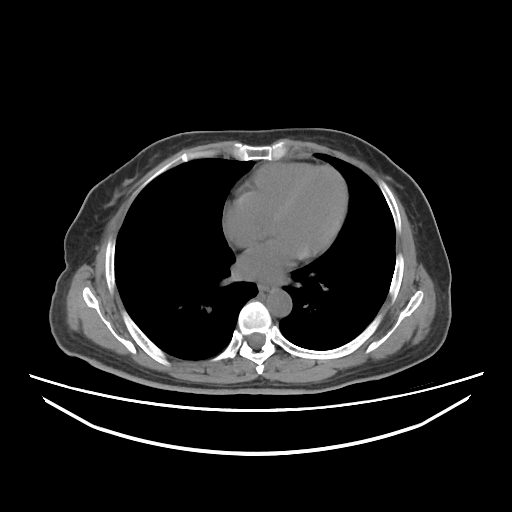 Lower-chest slice from an abdominal CT, just above the liver and spleen. axial view. 49-year-old female patient. acquired on Aquilion ONE. scan has 15 labeled organs (that count is for the whole scan; organs this slice misses have no box)
Of the structures in the chest, this dataset labels only the esophagus, the aorta and the inferior vena cava; the heart and lungs have no label. Boxes: x1:y1:x2:y2 in pixels. The annotated organs in this slice are: esophagus at 258:281:274:292, aorta at 266:288:291:316.